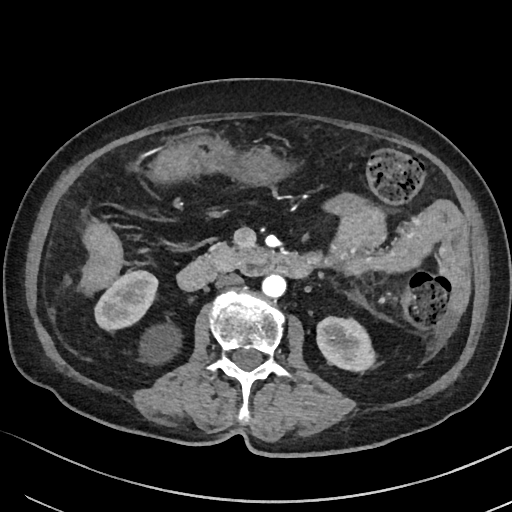

Computed tomography, abdomen. axial view. abdomen soft-tissue window
Organ boxes in pixel coordinates; each row gives the top-left (x1, y1) and bottom-right (x2, y2) corners.
| organ | x1 | y1 | x2 | y2 |
|---|---|---|---|---|
| right kidney | 96 | 271 | 179 | 361 |
| left kidney | 317 | 317 | 374 | 371 |
| stomach | 154 | 138 | 284 | 184 |
| aorta | 263 | 274 | 286 | 296 |
| inferior vena cava | 215 | 273 | 242 | 287 |
| pancreas | 204 | 243 | 248 | 270 |
| duodenum | 177 | 251 | 309 | 290 |